CT abdomen — Axial slice 88/122 — soft-tissue window — acquired on Aquilion ONE
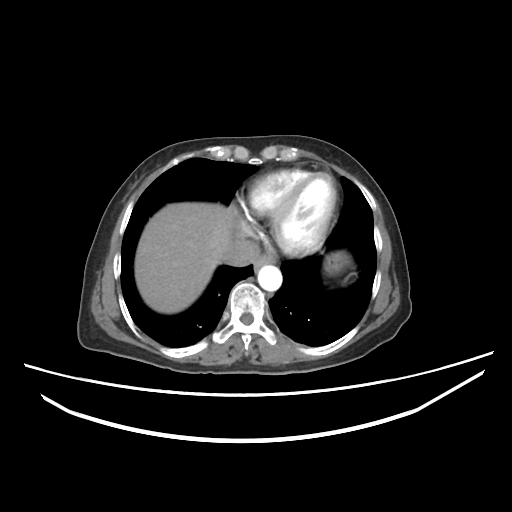

Boxes are (x1, y1, x2, y2) in pixels.
Organ bounding boxes:
- esophagus: (256, 254, 273, 265)
- liver: (137, 202, 230, 309)
- stomach: (322, 253, 346, 272)
- aorta: (258, 266, 281, 292)
- inferior vena cava: (220, 240, 259, 268)